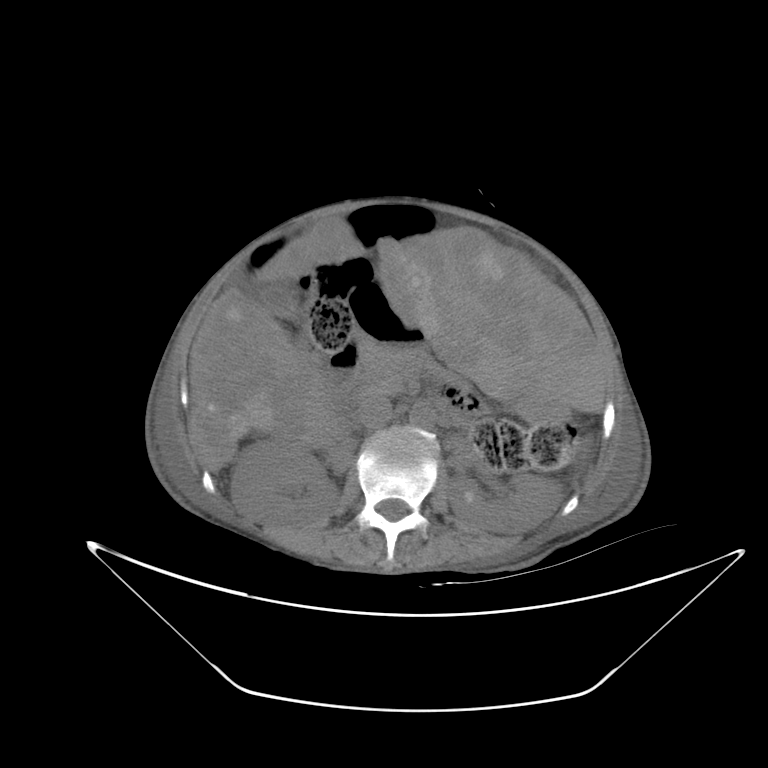

Computed tomography, abdomen. axial plane, index 65. W/L 400/40 HU. 768x768 px. acquired on Brilliance16
Each box given as x1,y1,x2,y2. 9 labeled organs on this slice — left kidney at x1=448, y1=474, x2=561, y2=534; liver at x1=189, y1=220, x2=606, y2=470; gall bladder at x1=244, y1=279, x2=297, y2=317; right kidney at x1=231, y1=437, x2=338, y2=525; stomach at x1=348, y1=280, x2=570, y2=423; pancreas at x1=359, y1=342, x2=438, y2=393; inferior vena cava at x1=356, y1=392, x2=392, y2=429; aorta at x1=409, y1=402, x2=435, y2=429; duodenum at x1=323, y1=357, x2=477, y2=420.